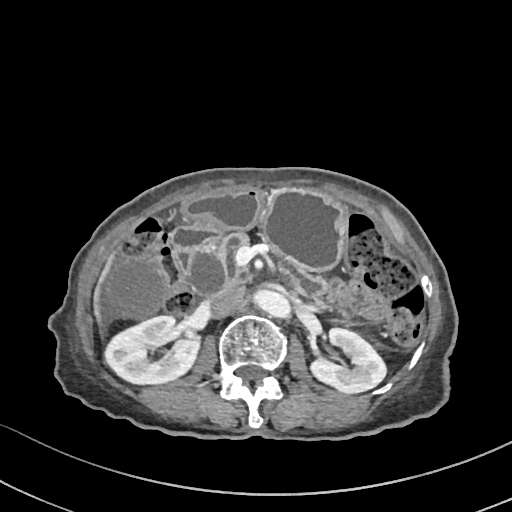 CT, abdomen/pelvis — axial view — 512x512 px
Bounding boxes in pixels, one row per box: x1, y1 is the top-left corner and x2, y2 the bottom-right.
| organ | x1 | y1 | x2 | y2 |
|---|---|---|---|---|
| right kidney | 106 | 316 | 201 | 385 |
| left kidney | 309 | 328 | 386 | 394 |
| gall bladder | 107 | 260 | 165 | 318 |
| liver | 93 | 254 | 115 | 338 |
| stomach | 184 | 188 | 346 | 270 |
| aorta | 253 | 291 | 291 | 318 |
| inferior vena cava | 209 | 288 | 245 | 317 |
| pancreas | 214 | 231 | 326 | 297 |
| duodenum | 172 | 226 | 222 | 270 |